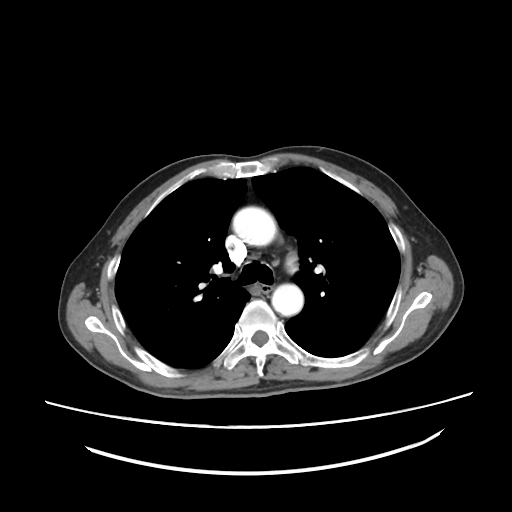 Chest-level CT slice, above the liver and spleen; axial view; W/L 400/40 HU; scan has 15 labeled organs (that count is for the whole scan; organs this slice misses have no box)
At this level of the chest no structure but the esophagus and the aorta has a label in this dataset, and those two are boxed only where they are labeled.
Each box given as x1,y1,x2,y2.
Organ bounding boxes:
- esophagus: x1=254, y1=283, x2=271, y2=293
- aorta: x1=232, y1=206, x2=276, y2=245
- aorta: x1=271, y1=284, x2=303, y2=316